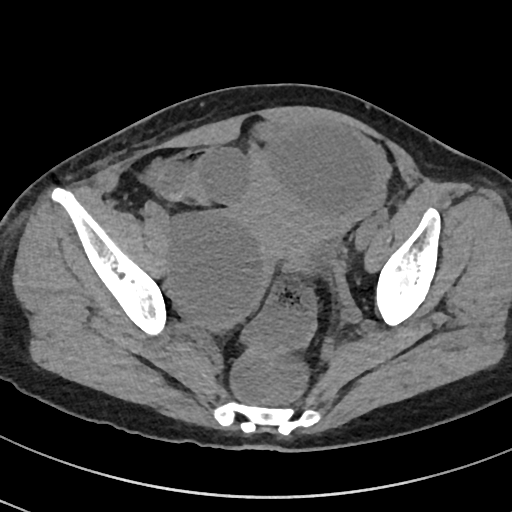

CT abdomen. axial view. 512x512 px
Organ boxes in pixel coordinates; each row gives the top-left (x1, y1) and bottom-right (x2, y2) corners.
| organ | x1 | y1 | x2 | y2 |
|---|---|---|---|---|
| prostate/uterus | 243 | 180 | 311 | 257 |